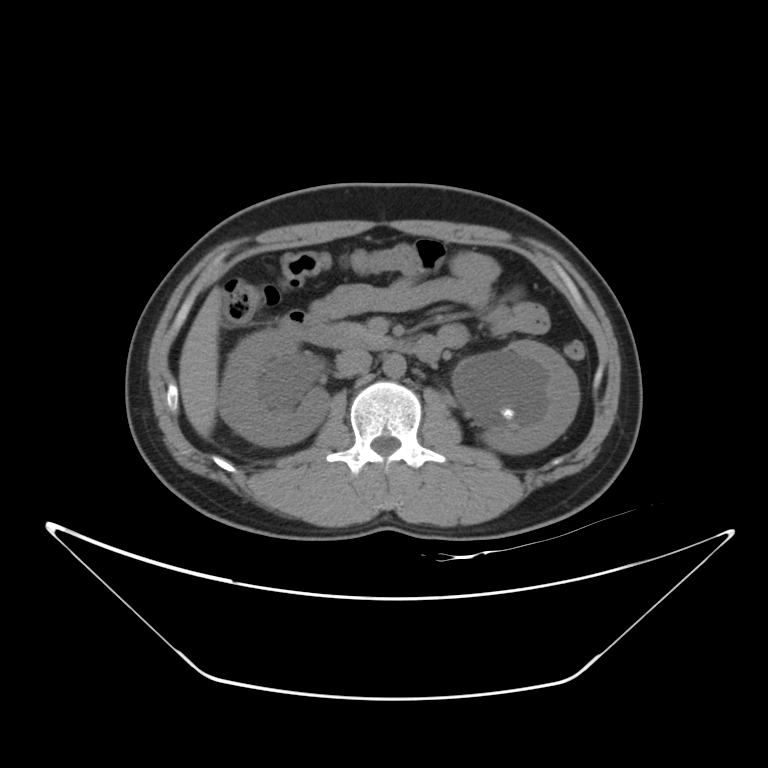 CT, abdomen/pelvis. axial view. 768x768 px. acquired on Brilliance16. scan has 15 labeled organs (a whole-scan count: organs this slice does not pass through have no box)
{"organs":{"left kidney":[481,339,579,453],"pancreas":[325,324,376,345],"aorta":[382,354,406,377],"inferior vena cava":[336,349,371,376],"right kidney":[218,328,328,446],"liver":[178,288,221,438],"duodenum":[280,311,443,363]}}